Magnetic resonance imaging, abdomen; coronal view
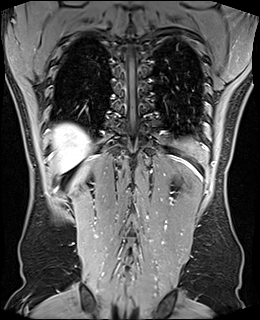
One row per box, in pixels: columns x1 and y1 give the top-left corner, x2 and y2 the bottom-right.
| organ | x1 | y1 | x2 | y2 |
|---|---|---|---|---|
| spleen | 185 | 140 | 201 | 153 |
| liver | 52 | 123 | 89 | 172 |